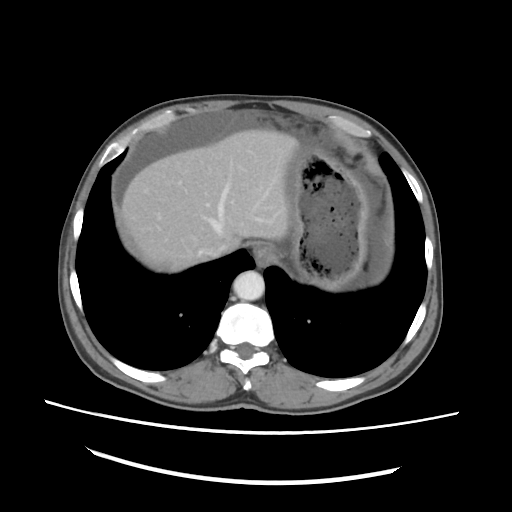 CT, abdomen/pelvis — axial view
Boxes: x1 y1 x2 y2 (pixel coords, space-separated).
aorta: 233 271 264 300
inferior vena cava: 201 239 233 258
esophagus: 252 243 274 266
stomach: 288 146 368 289
liver: 121 129 299 272